CT of the abdomen reaching into the lower chest, slice just above the liver and spleen. axial view. soft-tissue window (W 400 / L 40). 768x768 px. 66-year-old female patient
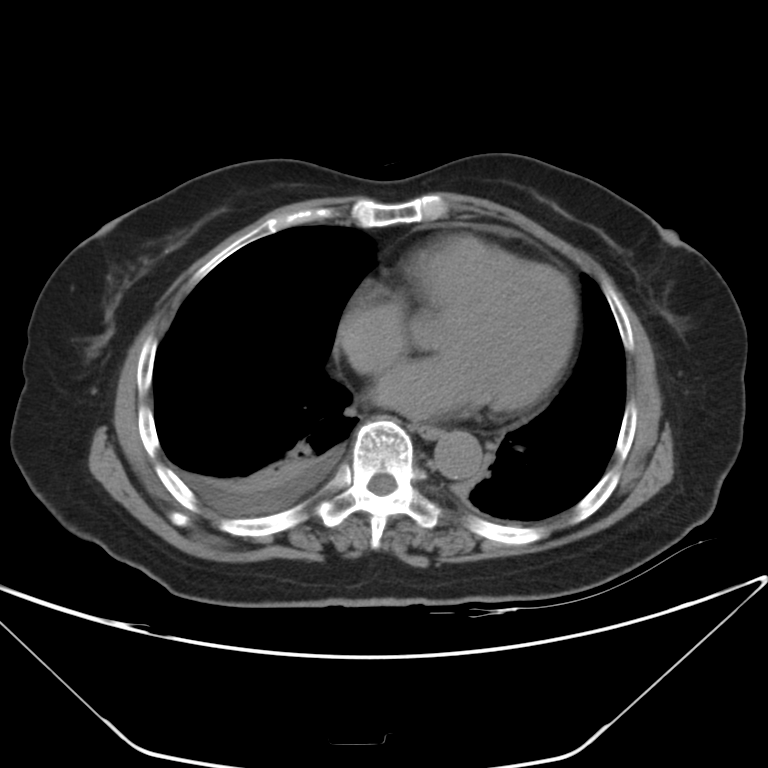

Of the structures in the chest, this dataset labels only the esophagus, the aorta and the inferior vena cava; the heart and lungs have no label.
{"organs":{"esophagus":[416,424,440,438],"aorta":[434,431,482,479]}}